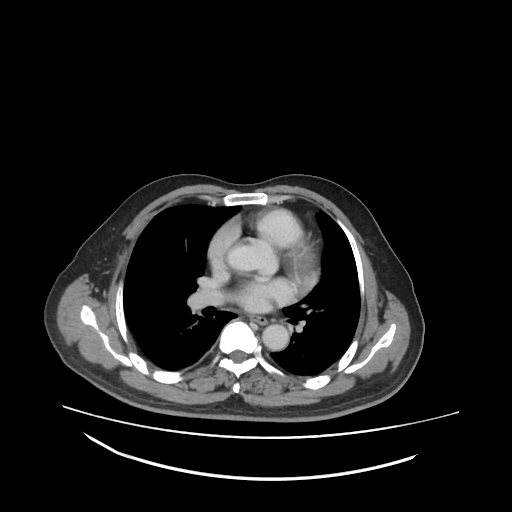
Chest-level CT slice, above the liver and spleen — Axial slice 93/116 — W/L 400/40 HU — scan has 15 labeled organs (that count is for the whole scan; organs this slice misses have no box)
On a slice this high in the chest, this dataset labels only the esophagus and the aorta, and each is boxed only where it is labeled; the heart, lungs and other chest structures are not labeled. Boxes: x1:y1:x2:y2 in pixels. 2 labeled organs on this slice — esophagus at 247:314:268:323; aorta at 261:324:287:350.